CT abdomen. Axial slice 114/208. acquired on SOMATOM Force. 15 organs annotated in this scan (that count is for the whole scan; organs this slice misses have no box)
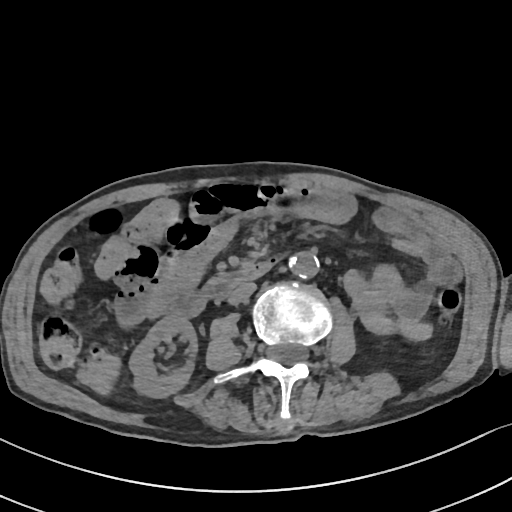

Organ boxes in pixel coordinates; each row gives the top-left (x1, y1) and bottom-right (x2, y2) corners.
| organ | x1 | y1 | x2 | y2 |
|---|---|---|---|---|
| right kidney | 129 | 315 | 194 | 398 |
| aorta | 290 | 252 | 319 | 278 |
| inferior vena cava | 227 | 281 | 255 | 304 |
| duodenum | 162 | 258 | 280 | 317 |